CT abdomen — Axial slice 105/112 — 512x512 px — 39-year-old female patient — acquired on Aquilion ONE
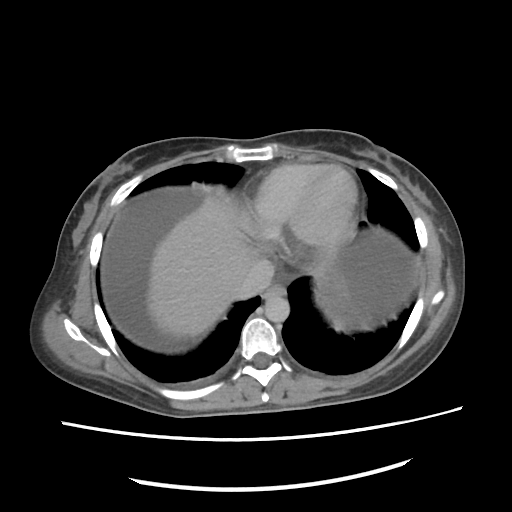 Each box given as x1,y1,x2,y2.
esophagus: x1=262, y1=283, x2=286, y2=299
liver: x1=144, y1=196, x2=256, y2=338
stomach: x1=317, y1=269, x2=347, y2=318
aorta: x1=262, y1=296, x2=288, y2=322
inferior vena cava: x1=236, y1=259, x2=273, y2=298